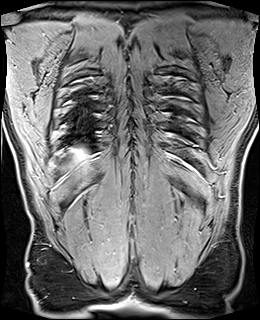
MRI, abdomen · coronal view · 1st–99th percentile window · acquired on Prisma
Organ boxes in pixel coordinates; each row gives the top-left (x1, y1) and bottom-right (x2, y2) corners.
| organ | x1 | y1 | x2 | y2 |
|---|---|---|---|---|
| liver | 73 | 149 | 87 | 162 |